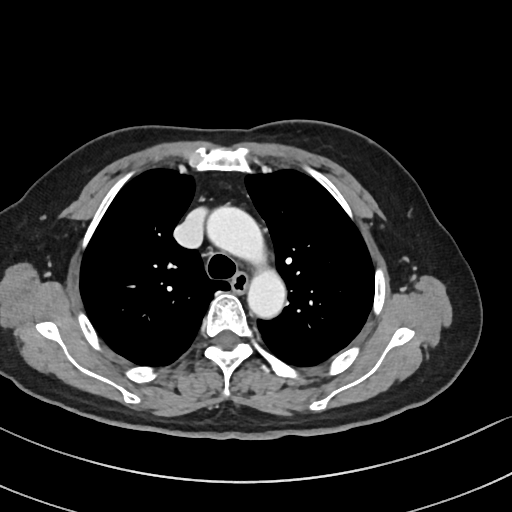

Chest-level CT slice, above the liver and spleen. Axial slice 276/314. 512x512 px. 14 organs annotated in this scan (counted over the whole 3D scan, not this slice; an organ is boxed only where this slice passes through it)
At this level of the chest no structure but the esophagus and the aorta has a label in this dataset, and those two are boxed only where they are labeled.
Boxes are (x1, y1, x2, y2) in pixels.
Organ bounding boxes:
- esophagus: (232, 274, 248, 292)
- aorta: (206, 206, 286, 318)